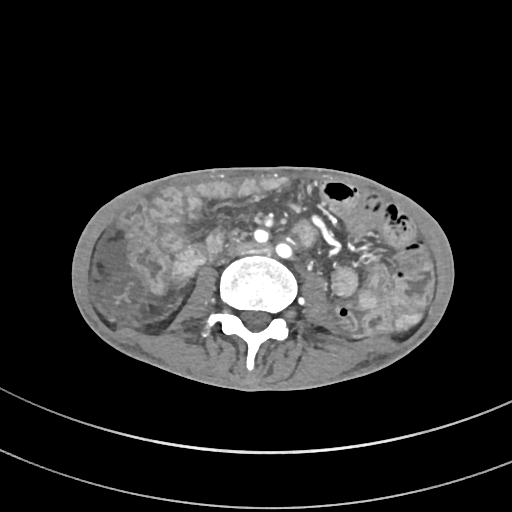
CT abdomen; axial plane, index 97; soft-tissue window; 512x512 px; 15 organs annotated in this scan (that count is for the whole scan; organs this slice misses have no box)
Boxes: x1:y1:x2:y2 in pixels.
inferior vena cava: 230:246:243:253